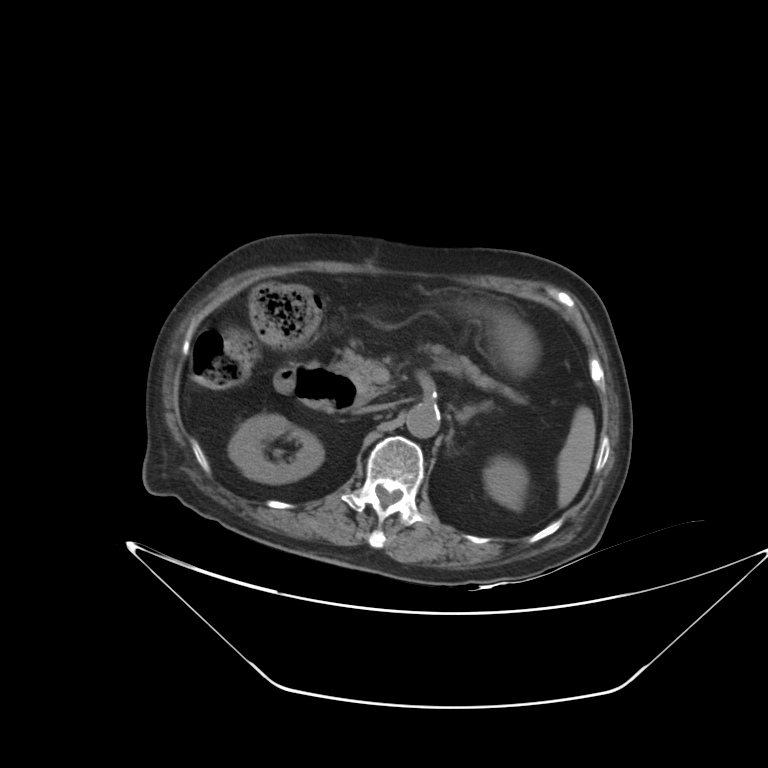
CT abdomen · axial plane, index 70 · 80-year-old female patient
Bounding boxes as [x1, y1, x2, y2] in pixel coordinates.
Organ bounding boxes:
- spleen: [557, 406, 595, 507]
- right kidney: [228, 414, 323, 483]
- left kidney: [484, 456, 528, 510]
- stomach: [484, 310, 538, 375]
- aorta: [406, 404, 440, 438]
- inferior vena cava: [358, 403, 388, 413]
- pancreas: [335, 344, 526, 404]
- left adrenal gland: [456, 407, 473, 422]
- duodenum: [274, 364, 361, 412]